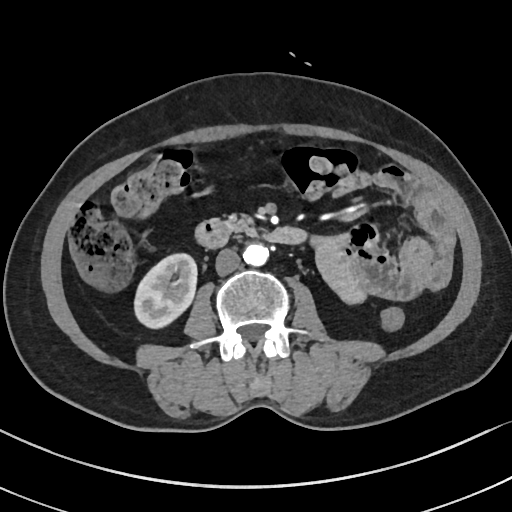
Abdominal CT · axial view · soft-tissue window (W 400 / L 40)
Coordinates as <box>x1,y1,x2,y2</box> in pixels.
Organ bounding boxes:
- right kidney: <box>134,253,197,328</box>
- aorta: <box>243,243,268,266</box>
- inferior vena cava: <box>215,249,241,275</box>
- pancreas: <box>225,215,256,236</box>
- duodenum: <box>195,219,305,248</box>